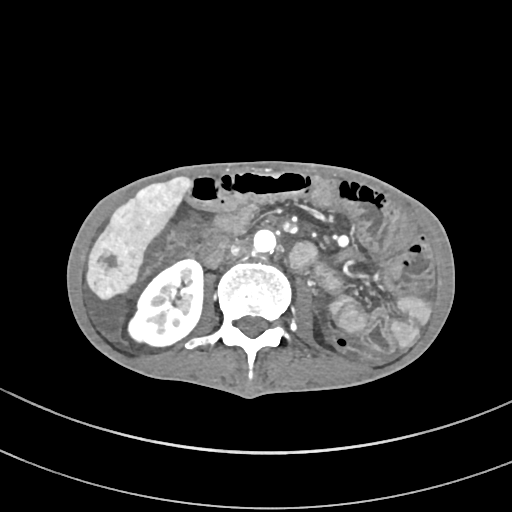

CT abdomen; axial view; 512x512 px; scan has 15 labeled organs (a whole-scan count: organs this slice does not pass through have no box)
One row per box, in pixels: columns x1 and y1 give the top-left corner, x2 and y2 the bottom-right.
| organ | x1 | y1 | x2 | y2 |
|---|---|---|---|---|
| right kidney | 126 | 260 | 203 | 347 |
| liver | 85 | 177 | 191 | 300 |
| aorta | 252 | 230 | 276 | 253 |
| inferior vena cava | 230 | 240 | 248 | 256 |